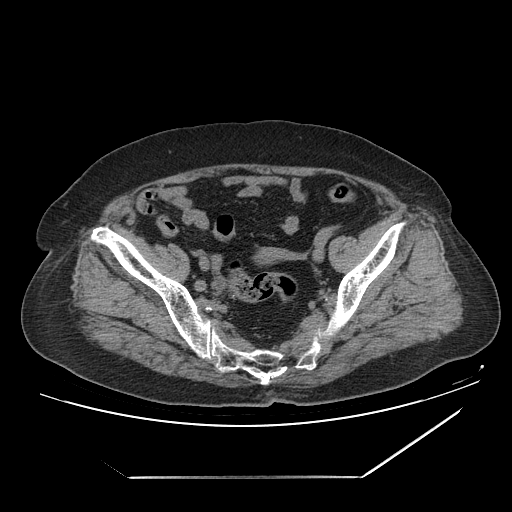 Computed tomography, abdomen. Axial slice 46/163. W/L 400/40 HU. 512x512 px. SOMATOM Force scanner
<organs><organ name="prostate/uterus" x1="249" y1="248" x2="280" y2="268"/></organs>